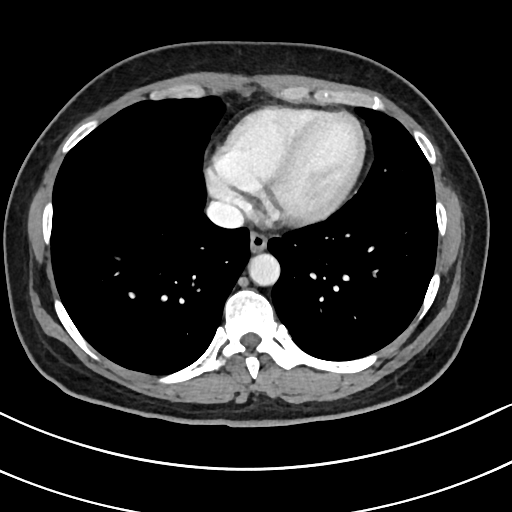
CT of the abdomen reaching into the lower chest, slice just above the liver and spleen · axial view · 512x512 px
Of the structures in the chest, this dataset labels only the esophagus, the aorta and the inferior vena cava; the heart and lungs have no label.
Boxes are (x1, y1, x2, y2) in pixels.
esophagus: (249, 230, 267, 251)
aorta: (248, 253, 279, 285)
inferior vena cava: (205, 201, 243, 228)